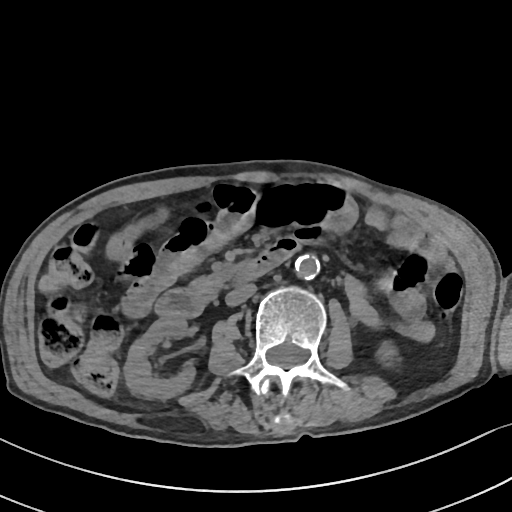
CT abdomen. axial view. abdomen soft-tissue window. 512x512 px
{"organs":{"inferior vena cava":[225,282,255,305],"left kidney":[378,347,389,358],"right kidney":[125,316,194,399],"aorta":[293,254,320,279],"duodenum":[156,235,298,318],"pancreas":[192,273,222,295]}}